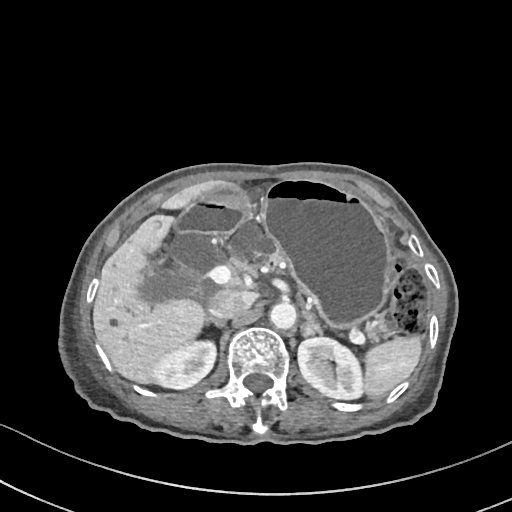 Computed tomography, abdomen · axial plane, index 177
Box edges are left/top/right/bottom in pixels.
Organ bounding boxes:
- spleen: left=364, top=335, right=421, bottom=398
- right kidney: left=151, top=339, right=216, bottom=389
- left kidney: left=298, top=337, right=363, bottom=399
- gall bladder: left=138, top=272, right=191, bottom=302
- liver: left=93, top=181, right=222, bottom=382
- stomach: left=202, top=180, right=392, bottom=326
- aorta: left=270, top=301, right=296, bottom=328
- inferior vena cava: left=208, top=289, right=256, bottom=319
- pancreas: left=226, top=218, right=388, bottom=340
- right adrenal gland: left=206, top=318, right=225, bottom=327
- left adrenal gland: left=302, top=311, right=322, bottom=336
- duodenum: left=174, top=201, right=245, bottom=235